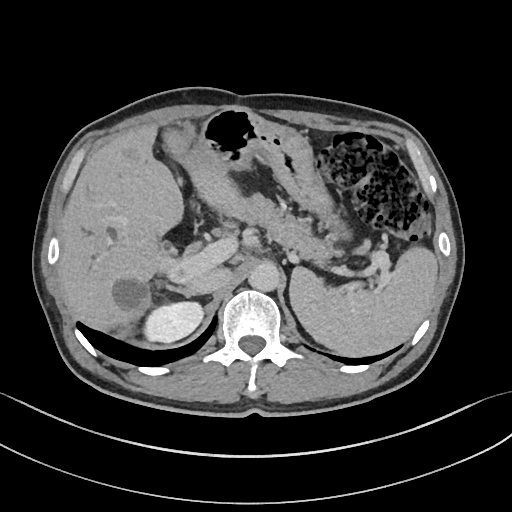 CT abdomen. axial view. 512x512 px
<organs><organ name="spleen" x1="290" y1="246" x2="438" y2="356"/><organ name="right kidney" x1="144" y1="300" x2="204" y2="343"/><organ name="liver" x1="59" y1="126" x2="236" y2="331"/><organ name="stomach" x1="183" y1="108" x2="352" y2="239"/><organ name="aorta" x1="248" y1="259" x2="279" y2="291"/><organ name="inferior vena cava" x1="188" y1="267" x2="232" y2="293"/><organ name="pancreas" x1="212" y1="192" x2="364" y2="261"/><organ name="right adrenal gland" x1="167" y1="284" x2="197" y2="296"/></organs>